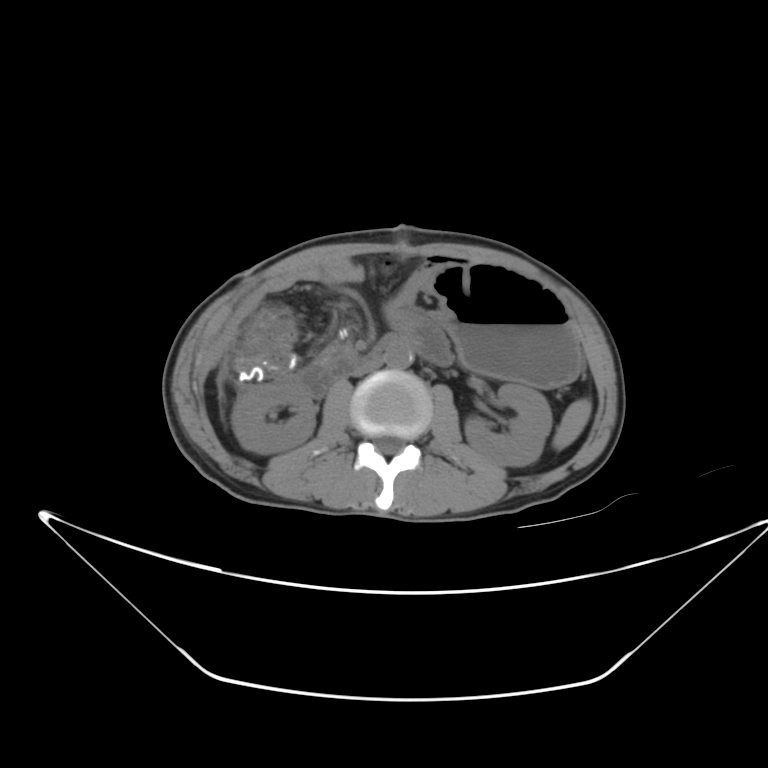

Abdominal CT. axial view. W/L 400/40 HU. 51-year-old male patient. scan has 15 labeled organs (that count is for the whole scan; organs this slice misses have no box)
{"organs":{"pancreas":[318,343,352,361],"inferior vena cava":[345,359,382,376],"stomach":[429,258,581,385],"aorta":[386,341,415,368],"duodenum":[301,331,422,399],"spleen":[553,399,591,450],"right kidney":[233,381,316,452],"left kidney":[463,383,550,465]}}